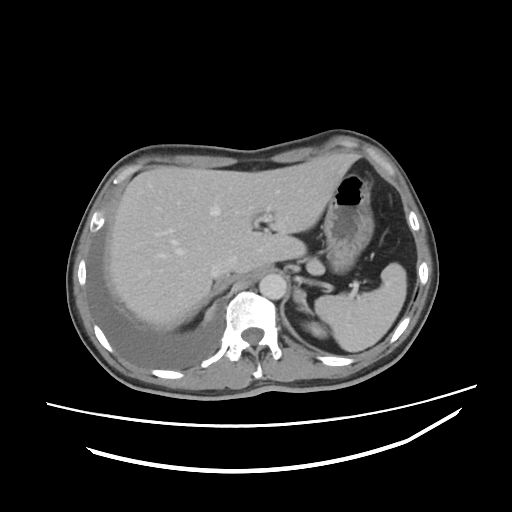

Computed tomography, abdomen; Axial slice 78/131; abdomen soft-tissue window
Organ boxes in pixel coordinates; each row gives the top-left (x1, y1) and bottom-right (x2, y2) corners.
| organ | x1 | y1 | x2 | y2 |
|---|---|---|---|---|
| spleen | 315 | 263 | 406 | 351 |
| left kidney | 305 | 322 | 326 | 337 |
| liver | 108 | 153 | 358 | 325 |
| stomach | 323 | 174 | 373 | 273 |
| aorta | 259 | 274 | 286 | 299 |
| inferior vena cava | 210 | 255 | 234 | 279 |
| left adrenal gland | 293 | 289 | 312 | 313 |